Abdominal CT. axial view. soft-tissue window (W 400 / L 40). 47-year-old male patient
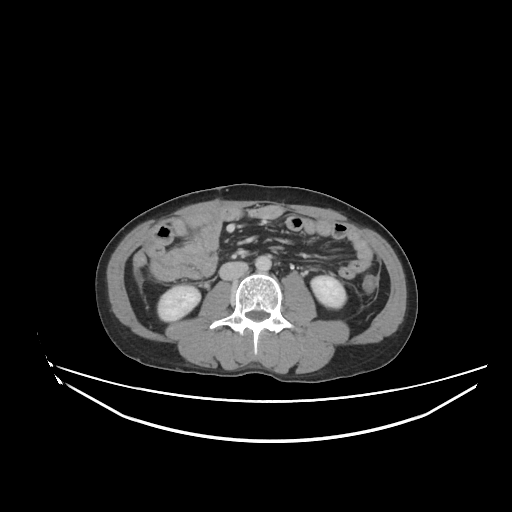 {"organs":{"right kidney":[157,285,200,321],"left kidney":[311,275,346,308],"aorta":[255,255,271,271],"inferior vena cava":[219,261,248,280]}}